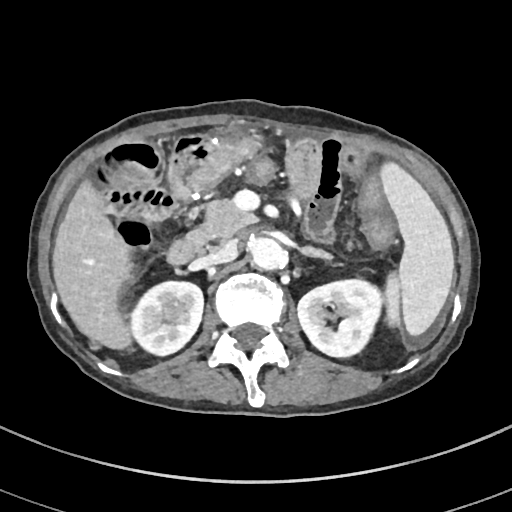

CT, abdomen/pelvis; axial plane, index 128; abdomen soft-tissue window; 512x512 px; SOMATOM Force scanner; 14 organs annotated in this scan (counted over the whole 3D scan, not this slice; an organ is boxed only where this slice passes through it)
Coordinates as <box>x1,y1,x2,y2</box> in pixels.
Organ bounding boxes:
- left adrenal gland: <box>302,246,332,259</box>
- left kidney: <box>297,279,381,356</box>
- spleen: <box>361,144,454,336</box>
- liver: <box>52,178,131,350</box>
- duodenum: <box>168,233,200,263</box>
- pancreas: <box>187,198,256,250</box>
- right kidney: <box>132,282,203,354</box>
- inferior vena cava: <box>188,239,237,269</box>
- aorta: <box>248,237,288,271</box>